Abdominal MRI; axial view; 576x468 px; acquired on Prisma
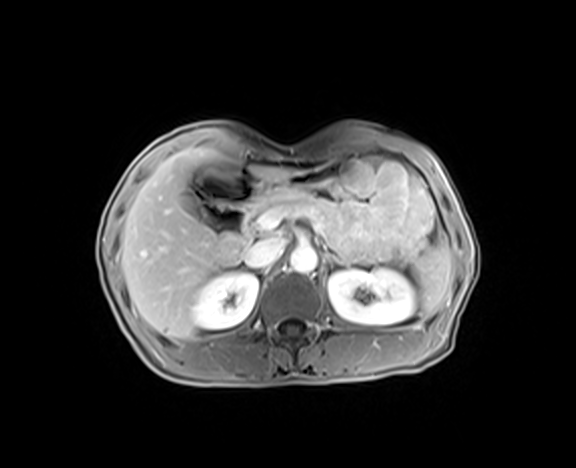
{"organs":{"liver":[121,146,295,338],"right kidney":[191,272,258,329],"inferior vena cava":[244,237,285,267],"aorta":[290,245,317,273],"left adrenal gland":[327,254,347,265],"left kidney":[328,269,415,325],"gall bladder":[182,190,200,214],"duodenum":[194,169,262,239],"stomach":[261,165,335,194],"spleen":[416,239,451,316],"pancreas":[244,188,334,239]}}